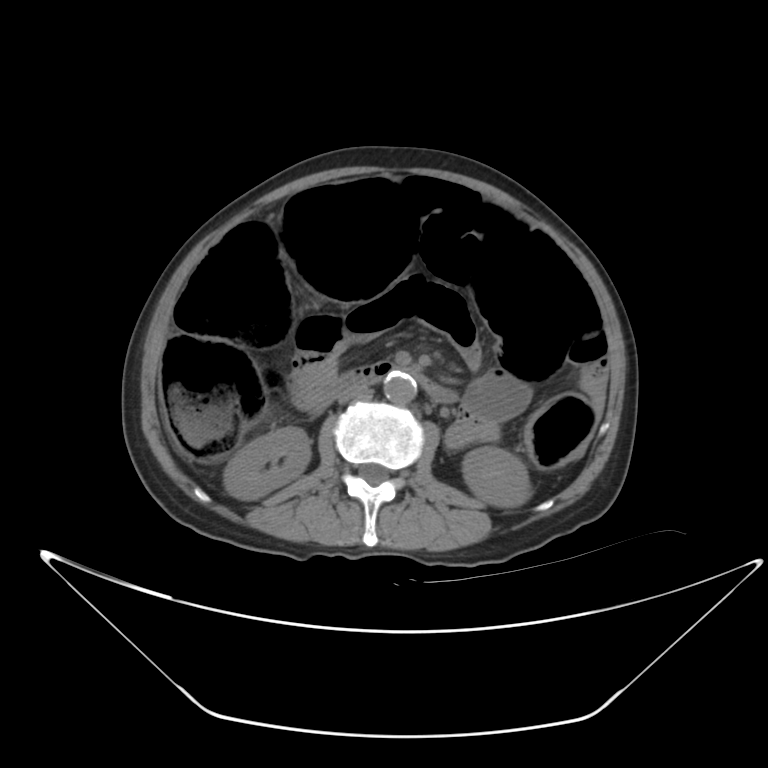 CT, abdomen/pelvis. axial view. acquired on Brilliance16
Box edges are left/top/right/bottom in pixels.
left kidney: left=462, top=447, right=530, bottom=506
inferior vena cava: left=336, top=385, right=369, bottom=403
aorta: left=384, top=373, right=417, bottom=404
duodenum: left=337, top=361, right=457, bottom=403
right kidney: left=224, top=427, right=310, bottom=500